Chest-level CT slice, above the liver and spleen; axial view; Brilliance16 scanner
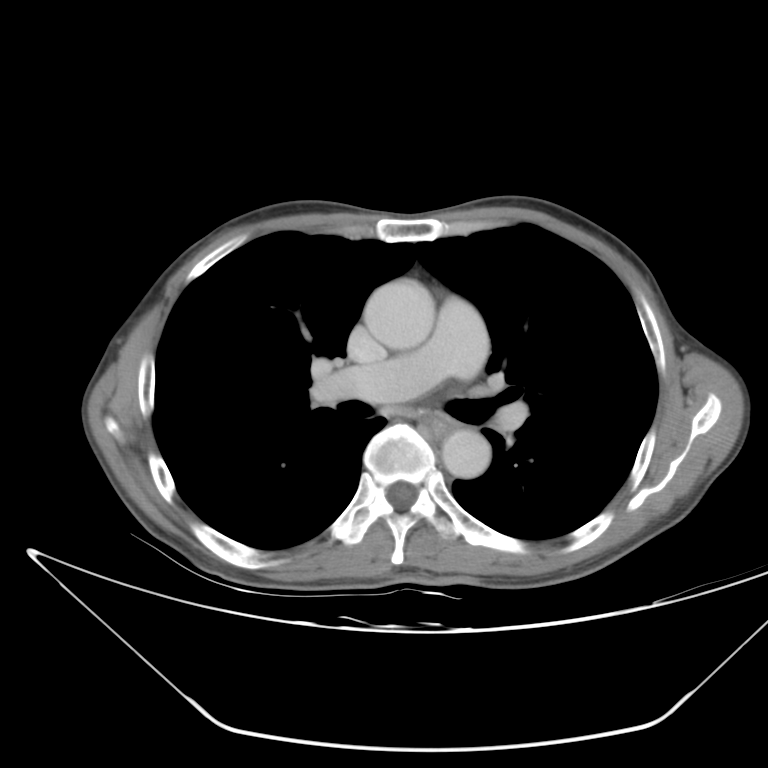
At this level of the chest no structure but the esophagus and the aorta has a label in this dataset, and those two are boxed only where they are labeled.
Boxes: x1:y1:x2:y2 in pixels.
Organ bounding boxes:
- aorta: 361:280:437:350
- aorta: 439:429:488:477
- esophagus: 421:415:453:439